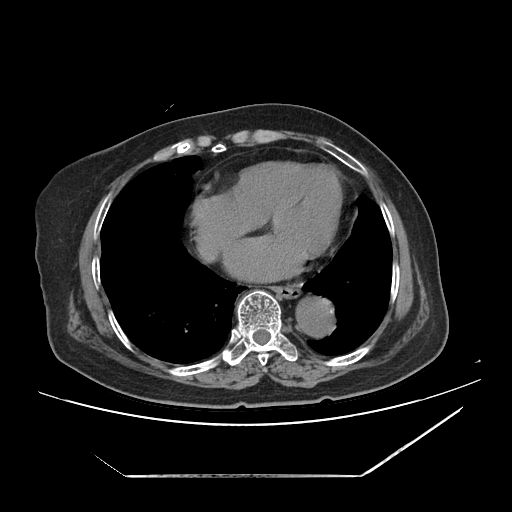

Abdominal CT; this slice is in the lower chest, just above the liver · axial view · W/L 400/40 HU · 512x512 px
The heart and lungs are never labeled in this dataset, so they have no box on this slice.
<organs><organ name="esophagus" x1="274" y1="285" x2="300" y2="298"/><organ name="aorta" x1="295" y1="297" x2="334" y2="337"/><organ name="inferior vena cava" x1="200" y1="243" x2="216" y2="260"/></organs>